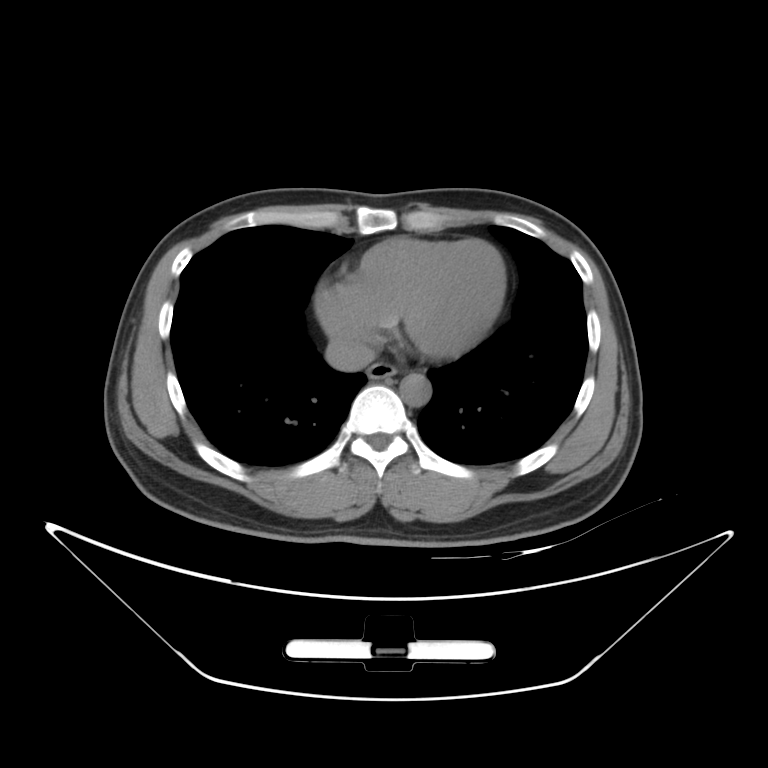

Abdominal CT; this slice is in the lower chest, just above the liver. axial plane, index 96. 25-year-old male patient
The heart and lungs are never labeled in this dataset, so they have no box on this slice.
One row per box, in pixels: columns x1 and y1 give the top-left corner, x2 and y2 the bottom-right.
| organ | x1 | y1 | x2 | y2 |
|---|---|---|---|---|
| esophagus | 367 | 361 | 397 | 381 |
| aorta | 399 | 373 | 431 | 406 |
| inferior vena cava | 325 | 337 | 375 | 371 |